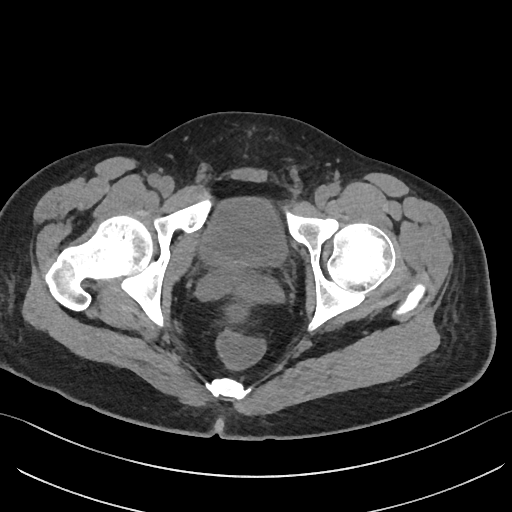

CT abdomen; Axial slice 21/234; W/L 400/40 HU
<organs><organ name="bladder" x1="197" y1="195" x2="288" y2="266"/></organs>